Abdominal CT · axial view · 512x512 px · SOMATOM Force scanner
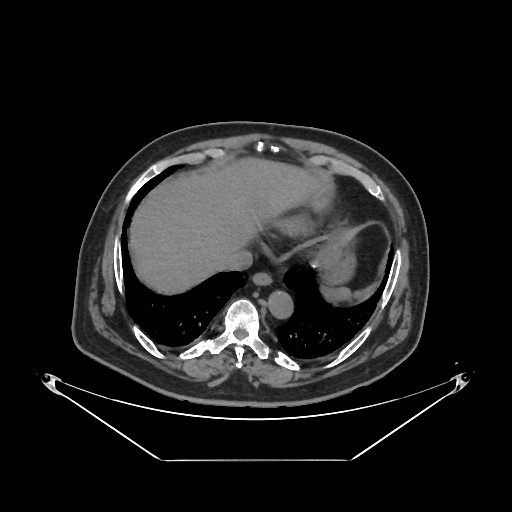
Each box given as x1,y1,x2,y2.
Organ bounding boxes:
- spleen: x1=323, y1=283, x2=376, y2=299
- aorta: x1=268, y1=289, x2=293, y2=317
- liver: x1=128, y1=156, x2=316, y2=293
- esophagus: x1=253, y1=271, x2=272, y2=284
- stomach: x1=317, y1=247, x2=353, y2=283
- inferior vena cava: x1=221, y1=250, x2=252, y2=271